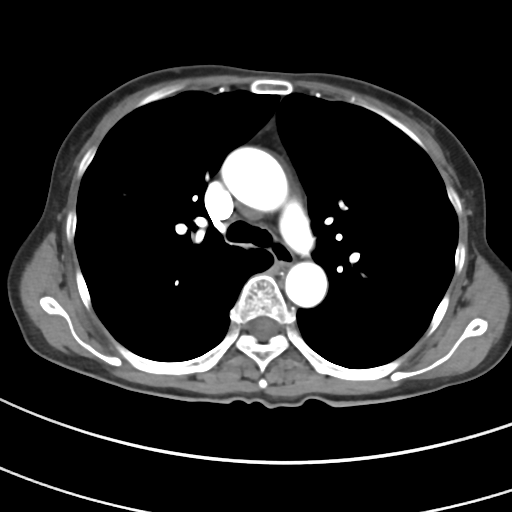
Chest-level slice from an abdominal CT that extends up into the chest — axial view — soft-tissue window — scan has 15 labeled organs (counted over the whole 3D scan, not this slice; an organ is boxed only where this slice passes through it)
On a slice this high in the chest, this dataset labels only the esophagus and the aorta, and each is boxed only where it is labeled; the heart, lungs and other chest structures are not labeled.
{"organs":{"esophagus":[271,242,293,266],"aorta":[[221,146,287,211],[284,261,327,307]]}}